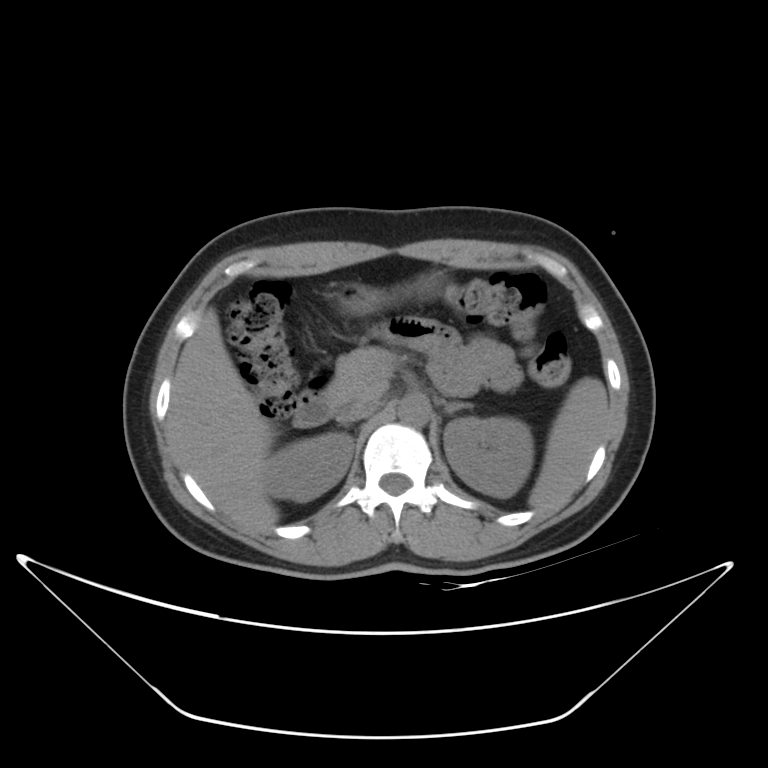
Abdominal CT; axial plane, index 73; W/L 400/40 HU; 768x768 px; 39-year-old female patient
Boxes are (x1, y1, x2, y2) in pixels.
pancreas: (328, 346, 396, 409)
right kidney: (265, 432, 353, 501)
inferior vena cava: (337, 401, 376, 423)
left adrenal gland: (443, 401, 472, 414)
duodenum: (293, 371, 333, 427)
left kidney: (443, 418, 533, 497)
spleen: (529, 377, 609, 509)
aorta: (397, 393, 429, 426)
stomach: (326, 273, 442, 316)
liver: (168, 309, 278, 532)